CT abdomen · axial view · W/L 400/40 HU · 512x512 px · Aquilion ONE scanner
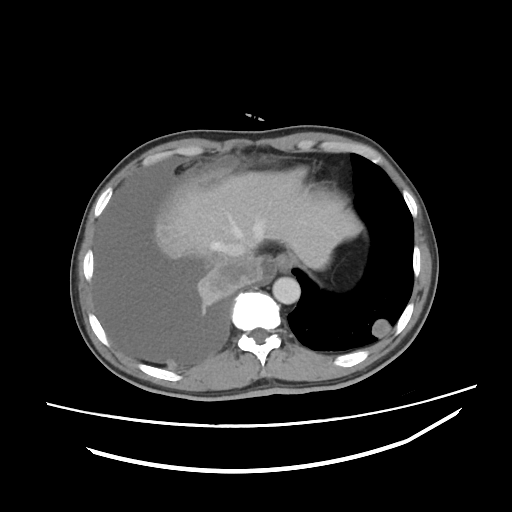

<organs><organ name="liver" x1="171" y1="171" x2="361" y2="268"/><organ name="inferior vena cava" x1="226" y1="242" x2="247" y2="257"/><organ name="aorta" x1="272" y1="277" x2="300" y2="304"/><organ name="esophagus" x1="273" y1="253" x2="292" y2="271"/></organs>